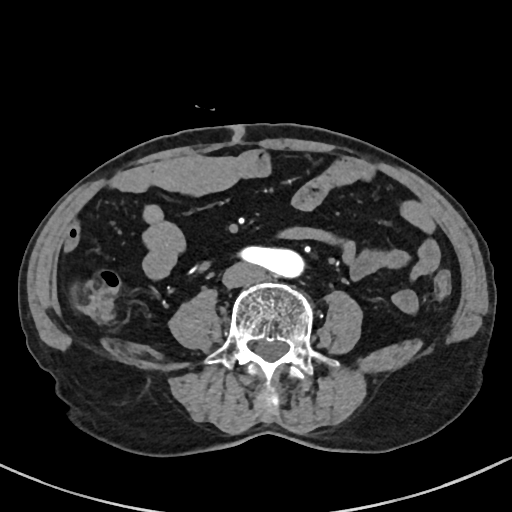
CT, abdomen/pelvis — axial plane, index 112 — soft-tissue window — scan has 15 labeled organs (that count is for the whole scan; organs this slice misses have no box)
<organs><organ name="aorta" x1="239" y1="247" x2="304" y2="277"/><organ name="inferior vena cava" x1="222" y1="263" x2="265" y2="287"/></organs>